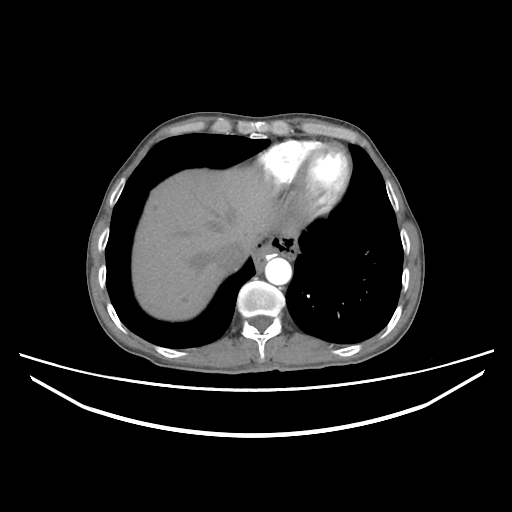

CT, abdomen/pelvis — Axial slice 74/118 — soft-tissue window — 512x512 px — 50-year-old male patient — scan has 14 labeled organs (that count is for the whole scan; organs this slice misses have no box)
Each box given as x1,y1,x2,y2.
liver: x1=132, y1=167, x2=305, y2=320
aorta: x1=265, y1=257, x2=291, y2=284
inferior vena cava: x1=215, y1=244, x2=245, y2=270